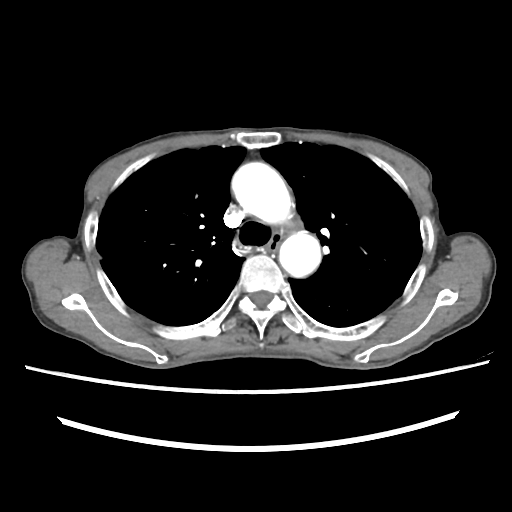

Chest-level slice from an abdominal CT that extends up into the chest — axial view — soft-tissue window — acquired on Aquilion ONE
On a slice this high in the chest, this dataset labels only the esophagus and the aorta, and each is boxed only where it is labeled; the heart, lungs and other chest structures are not labeled.
<organs><organ name="esophagus" x1="265" y1="233" x2="282" y2="255"/><organ name="aorta" x1="231" y1="162" x2="293" y2="224"/><organ name="aorta" x1="279" y1="231" x2="321" y2="277"/></organs>